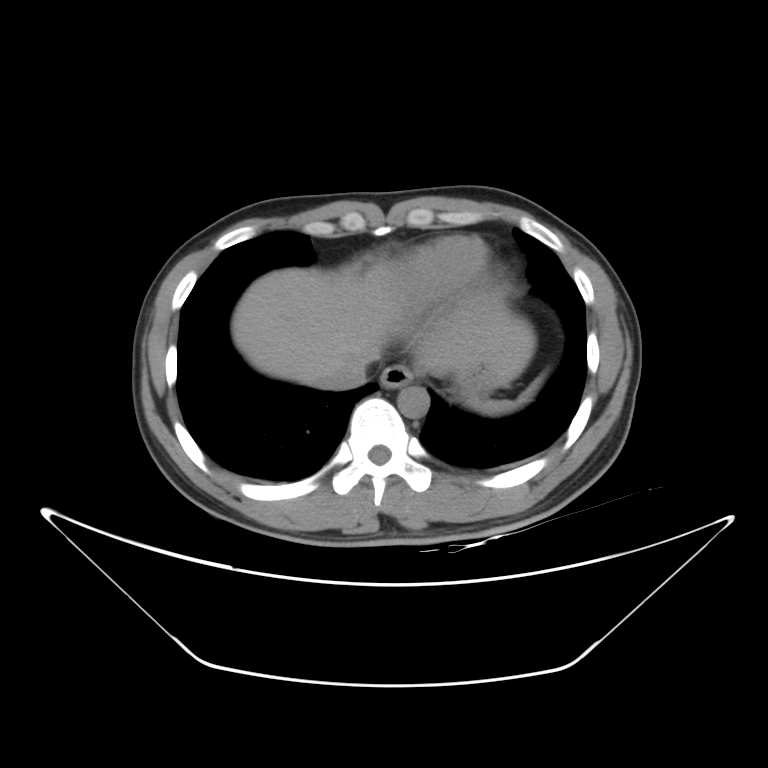 CT, abdomen/pelvis — axial plane, index 88 — W/L 400/40 HU — Brilliance16 scanner
Boxes: x1:y1:x2:y2 in pixels.
Organ bounding boxes:
- liver: 231:268:534:388
- esophagus: 379:364:414:388
- inferior vena cava: 325:352:372:389
- spleen: 467:374:540:415
- stomach: 452:360:507:399
- aorta: 398:386:429:417